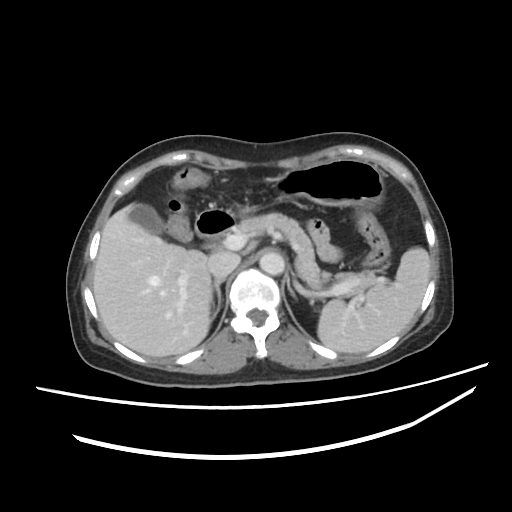

Computed tomography, abdomen — Axial slice 71/118 — 54-year-old female patient
<organs><organ name="spleen" x1="317" y1="247" x2="430" y2="353"/><organ name="gall bladder" x1="128" y1="204" x2="166" y2="234"/><organ name="liver" x1="93" y1="204" x2="211" y2="357"/><organ name="stomach" x1="272" y1="160" x2="385" y2="208"/><organ name="aorta" x1="259" y1="252" x2="284" y2="275"/><organ name="inferior vena cava" x1="208" y1="252" x2="240" y2="278"/><organ name="pancreas" x1="237" y1="213" x2="374" y2="292"/><organ name="right adrenal gland" x1="210" y1="278" x2="224" y2="318"/><organ name="left adrenal gland" x1="287" y1="281" x2="294" y2="296"/><organ name="duodenum" x1="196" y1="209" x2="236" y2="238"/></organs>